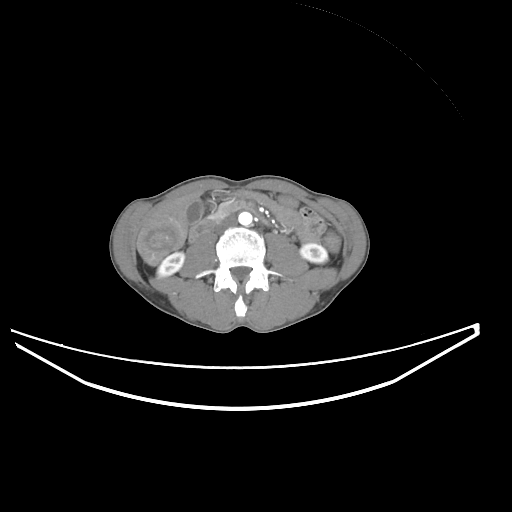 CT abdomen; axial view; soft-tissue window; 60-year-old male patient
Bounding boxes in pixels, one row per box: x1, y1 is the top-left corner and x2, y2 the bottom-right.
| organ | x1 | y1 | x2 | y2 |
|---|---|---|---|---|
| right kidney | 157 | 252 | 184 | 277 |
| left kidney | 300 | 243 | 327 | 263 |
| gall bladder | 186 | 200 | 202 | 224 |
| liver | 136 | 194 | 198 | 264 |
| aorta | 238 | 212 | 252 | 225 |
| inferior vena cava | 217 | 220 | 235 | 231 |
| duodenum | 190 | 199 | 270 | 240 |